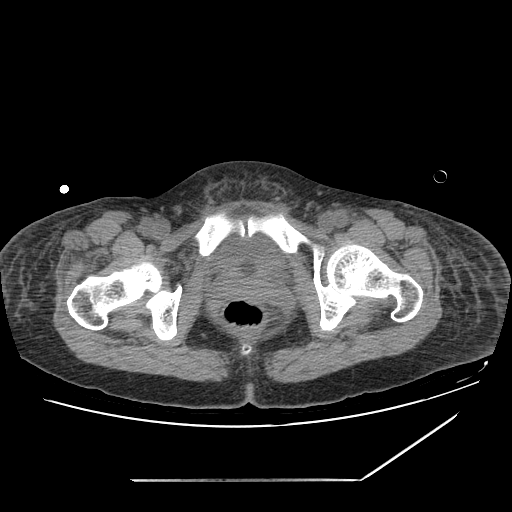
Computed tomography, abdomen. axial view. W/L 400/40 HU. 512x512 px
Box edges are left/top/right/bottom in pixels. The annotated organs in this slice are: bladder at left=214, top=235, right=284, bottom=270.